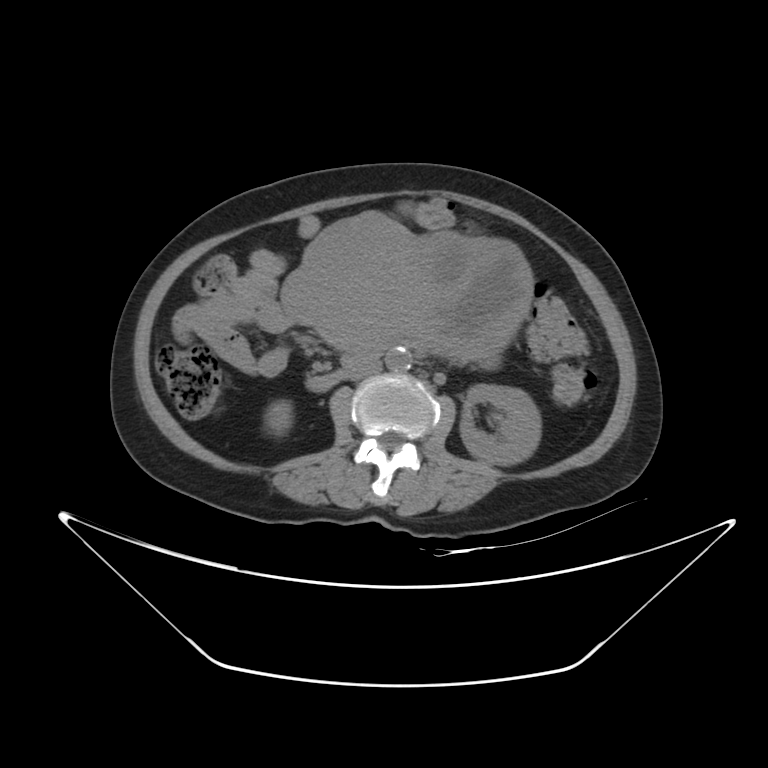
Abdominal CT. axial plane, index 51. 768x768 px. 66-year-old female patient
Boxes: x1:y1:x2:y2 in pixels.
Organ bounding boxes:
- right kidney: 268:404:289:431
- left kidney: 460:383:541:465
- liver: 492:362:497:366
- stomach: 280:208:532:366
- aorta: 385:348:412:372
- inferior vena cava: 347:360:382:380
- duodenum: 306:348:386:391